Abdominal MRI — axial plane, index 2 — 320x260 px — Prisma scanner
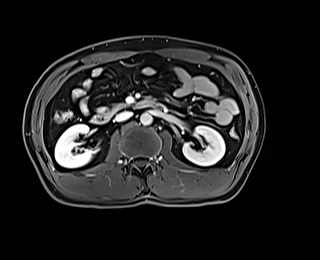

<organs><organ name="inferior vena cava" x1="115" y1="111" x2="132" y2="121"/><organ name="aorta" x1="140" y1="113" x2="152" y2="125"/><organ name="duodenum" x1="91" y1="100" x2="158" y2="123"/><organ name="right kidney" x1="55" y1="124" x2="95" y2="167"/><organ name="left kidney" x1="182" y1="125" x2="225" y2="165"/><organ name="pancreas" x1="112" y1="103" x2="126" y2="109"/></organs>